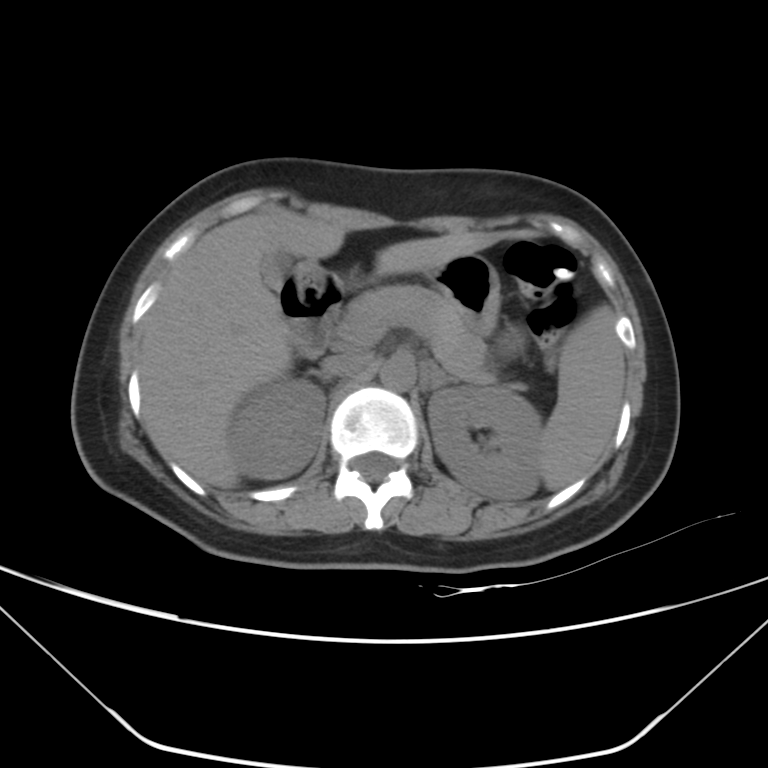

CT, abdomen/pelvis · Axial slice 63/83 · soft-tissue window (W 400 / L 40) · 32-year-old female patient
Boxes: x1 y1 x2 y2 (pixel coords, space-separated).
Organ bounding boxes:
- spleen: 540 305 625 490
- right kidney: 228 379 325 478
- left kidney: 428 386 542 500
- gall bladder: 261 250 292 290
- liver: 140 208 493 488
- stomach: 296 254 500 336
- aorta: 379 355 415 390
- inferior vena cava: 321 354 369 376
- pancreas: 347 284 496 385
- right adrenal gland: 315 372 331 381
- left adrenal gland: 425 365 456 388
- duodenum: 283 276 341 358